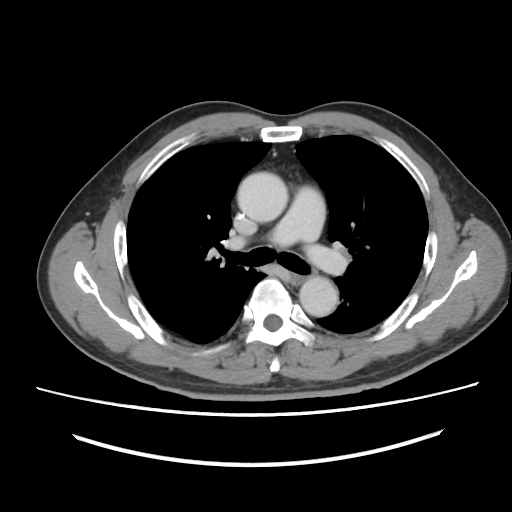 Abdominal CT reaching into the chest; this slice is in the chest; Axial slice 103/124; 512x512 px; 58-year-old male patient
At this level of the chest no structure but the esophagus and the aorta has a label in this dataset, and those two are boxed only where they are labeled. Boxes: x1:y1:x2:y2 in pixels. The annotated organs in this slice are: esophagus at 291:273:305:283, aorta at 237:172:288:222, aorta at 299:276:337:316.